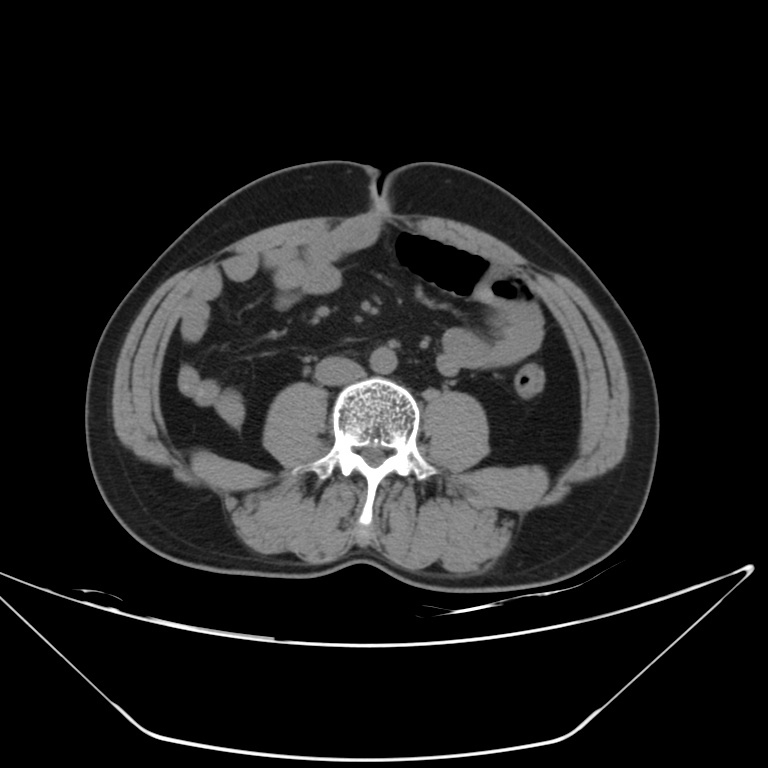
CT, abdomen/pelvis — axial view — soft-tissue window
{"organs":{"inferior vena cava":[314,356,364,385],"aorta":[369,347,397,374]}}